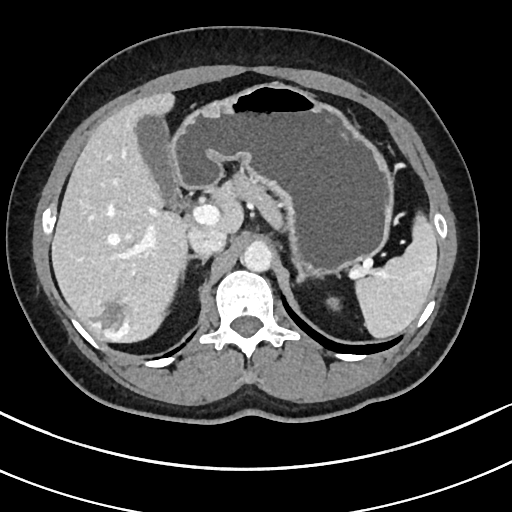

CT abdomen; axial view; 512x512 px
Bounding boxes as [x1, y1, x2, y2] in pixel coordinates.
spleen: [355, 215, 437, 338]
left kidney: [327, 297, 340, 309]
gall bladder: [136, 115, 178, 200]
liver: [51, 92, 243, 342]
stomach: [170, 82, 393, 275]
aorta: [242, 240, 272, 271]
inferior vena cava: [188, 227, 226, 255]
pancreas: [232, 172, 283, 228]
right adrenal gland: [181, 255, 209, 277]
left adrenal gland: [295, 262, 322, 282]
duodenum: [178, 185, 205, 205]